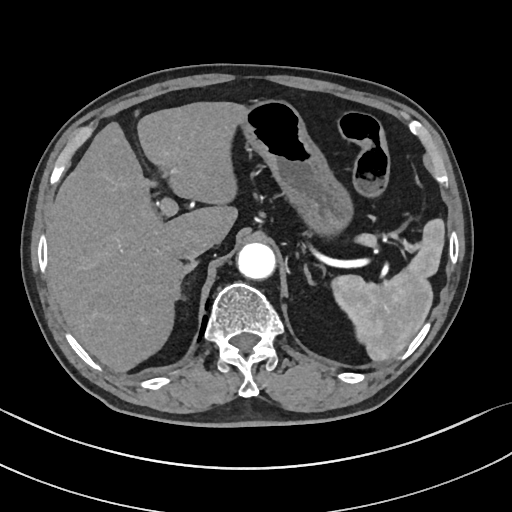 CT abdomen — axial view — 512x512 px
Boxes: x1:y1:x2:y2 in pixels. The annotated organs in this slice are: right adrenal gland at 176:259:199:299, pancreas at 314:222:329:229, liver at 46:101:243:372, stomach at 243:99:349:230, left adrenal gland at 303:261:315:284, aorta at 236:242:273:279, spleen at 333:219:445:361, inferior vena cava at 174:231:214:257.